Abdominal CT; this slice is in the lower chest, just above the liver — Axial slice 85/88
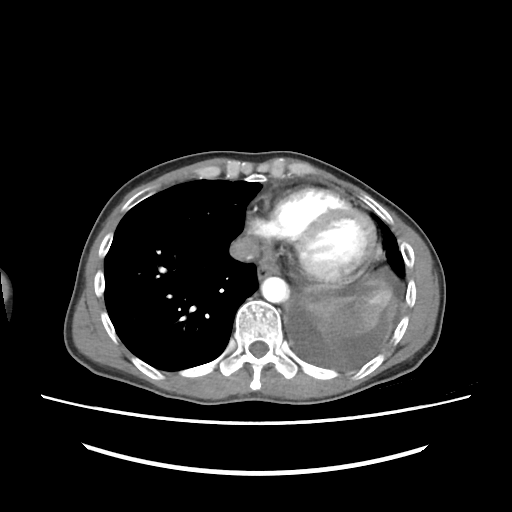

The heart and lungs are never labeled in this dataset, so they have no box on this slice.
{"organs":{"esophagus":[257,266,272,279],"aorta":[261,276,289,302],"inferior vena cava":[230,236,258,260]}}